CT, abdomen/pelvis · axial view · abdomen soft-tissue window
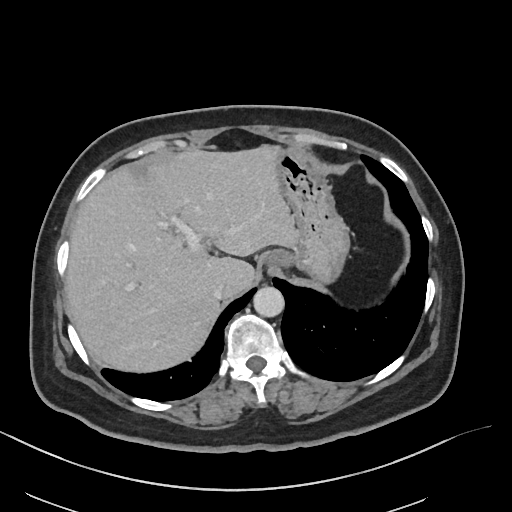

Coordinates as <box>x1,y1,x2,y2</box> in pixels.
esophagus: <box>266,250,293,268</box>
liver: <box>65,144,296,373</box>
stomach: <box>272,148,350,285</box>
aorta: <box>253,286,284,317</box>
inferior vena cava: <box>212,283,227,299</box>